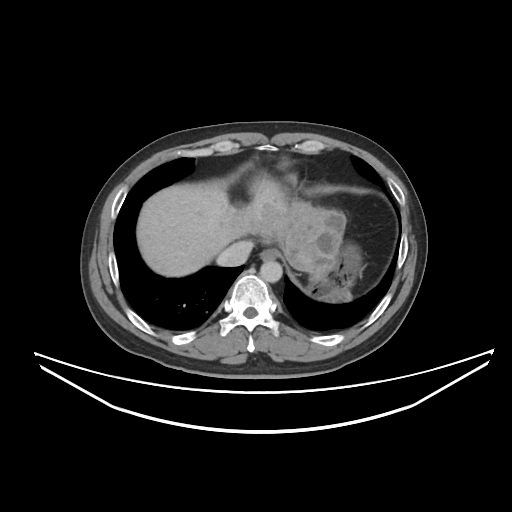 Abdominal CT; axial view; soft-tissue window (W 400 / L 40); 512x512 px; acquired on Aquilion ONE
{"organs":{"esophagus":[259,249,277,260],"liver":[137,180,343,276],"stomach":[287,247,359,301],"aorta":[259,260,282,282],"inferior vena cava":[216,241,251,266]}}